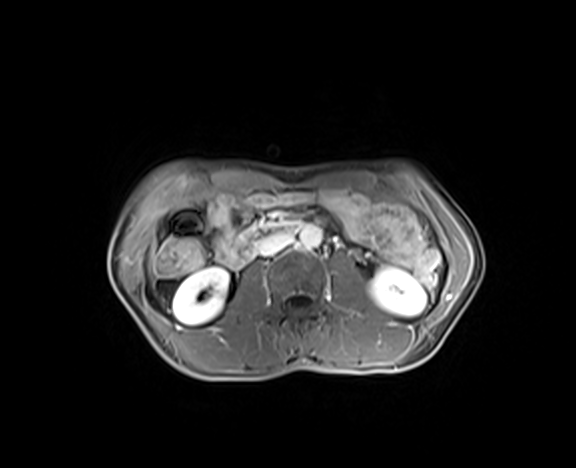

Abdominal MR · axial view · 1st–99th percentile window · 13 organs annotated in this scan (a whole-scan count: organs this slice does not pass through have no box)
Boxes are (x1, y1, x2, y2) in pixels. Labeled organs on this slice: right kidney at (172, 267, 229, 325), left kidney at (369, 267, 426, 316), aorta at (300, 225, 322, 249), inferior vena cava at (256, 233, 293, 255), duodenum at (219, 220, 300, 269).